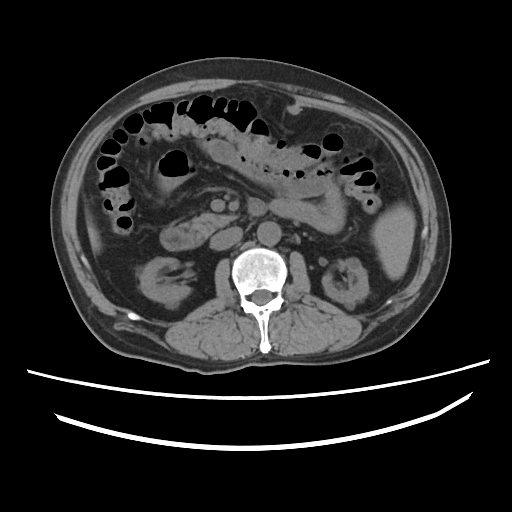

Abdominal CT · axial view · W/L 400/40 HU
<organs><organ name="aorta" x1="257" y1="221" x2="281" y2="245"/><organ name="pancreas" x1="183" y1="212" x2="235" y2="236"/><organ name="inferior vena cava" x1="210" y1="226" x2="242" y2="250"/><organ name="duodenum" x1="160" y1="198" x2="268" y2="250"/><organ name="spleen" x1="372" y1="204" x2="415" y2="279"/><organ name="right kidney" x1="140" y1="257" x2="190" y2="305"/><organ name="left kidney" x1="322" y1="258" x2="369" y2="306"/><organ name="liver" x1="87" y1="218" x2="100" y2="253"/></organs>